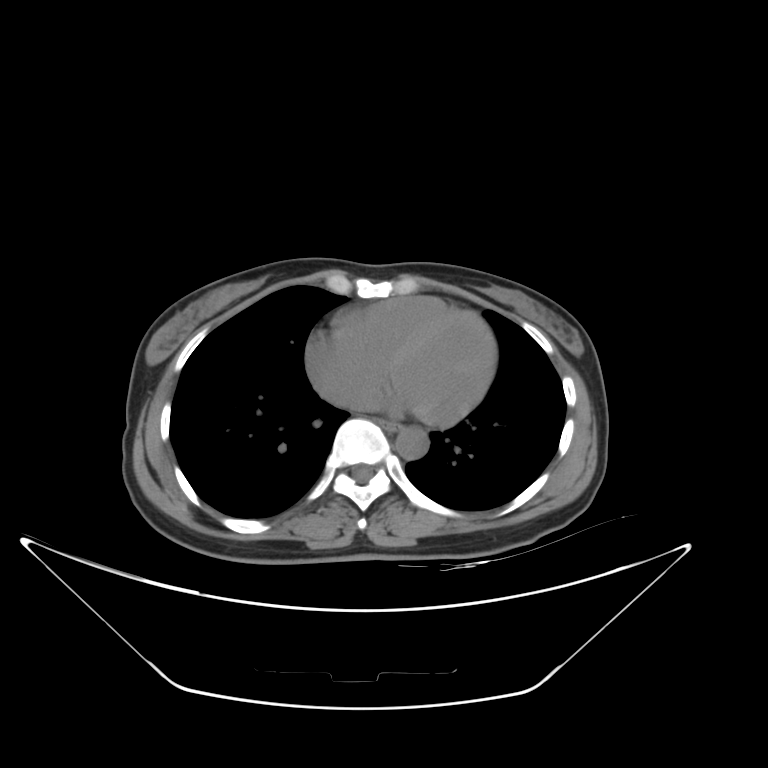 CT of the abdomen reaching into the lower chest, slice just above the liver and spleen · axial view · W/L 400/40 HU · 768x768 px
No part of the heart or lungs is labeled in this dataset, so neither has a box here.
Boxes: x1 y1 x2 y2 (pixel coords, space-separated).
aorta: 395 427 428 460
esophagus: 377 418 401 431